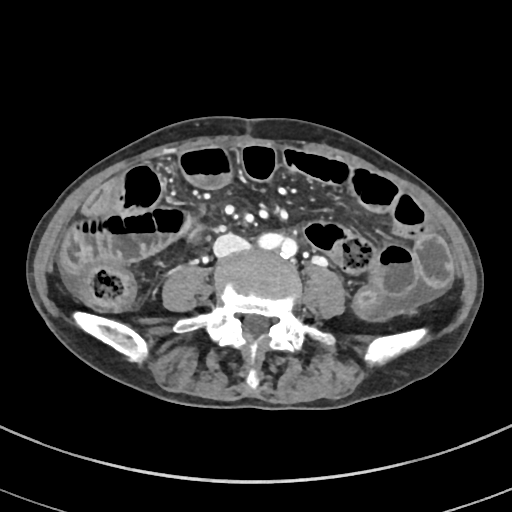
CT, abdomen/pelvis. axial view. abdomen soft-tissue window
Bounding boxes as [x1, y1, x2, y2] in pixel coordinates. 1 labeled organ on this slice — inferior vena cava at [214, 234, 249, 256].